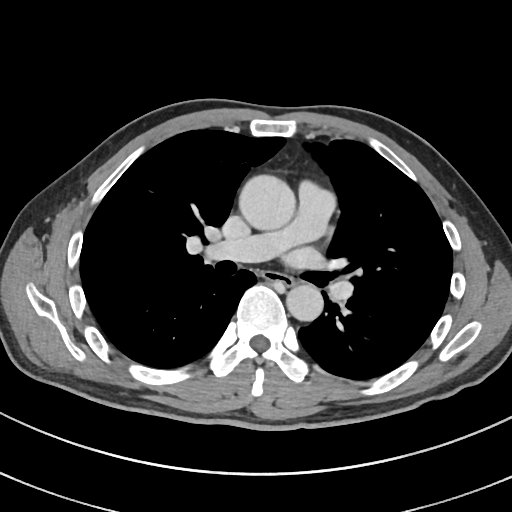

Chest-level CT slice, above the liver and spleen · axial view
At this level of the chest no structure but the esophagus and the aorta has a label in this dataset, and those two are boxed only where they are labeled.
Organ boxes in pixel coordinates; each row gives the top-left (x1, y1) and bottom-right (x2, y2) corners.
| organ | x1 | y1 | x2 | y2 |
|---|---|---|---|---|
| esophagus | 263 | 270 | 294 | 286 |
| aorta | 239 | 174 | 295 | 230 |
| aorta | 286 | 284 | 323 | 321 |